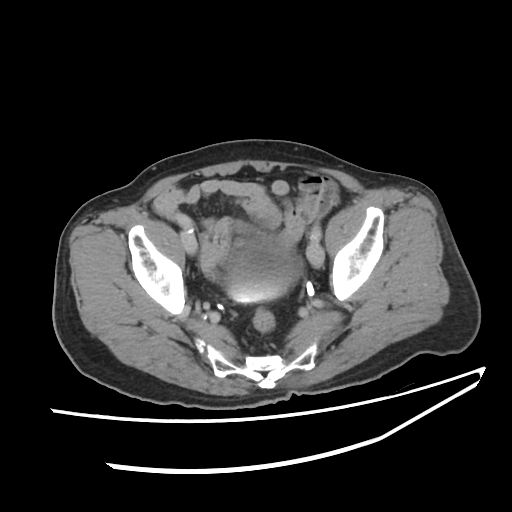

Computed tomography, abdomen; axial plane, index 27; W/L 400/40 HU; 15 organs annotated in this scan (that count is for the whole scan; organs this slice misses have no box)
Boxes: x1:y1:x2:y2 in pixels.
bladder: 224:236:302:302